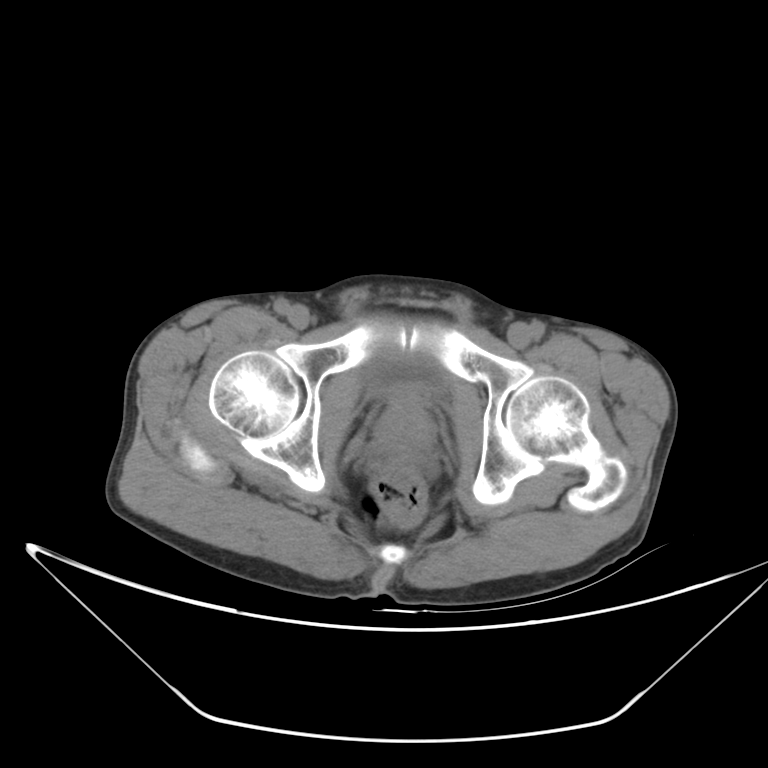
Computed tomography, abdomen; axial view; soft-tissue window (W 400 / L 40); 768x768 px; acquired on Brilliance16
Each box given as x1,y1,x2,y2.
Organ bounding boxes:
- bladder: x1=366, y1=344, x2=445, y2=391
- prostate/uterus: x1=375, y1=390, x2=434, y2=451